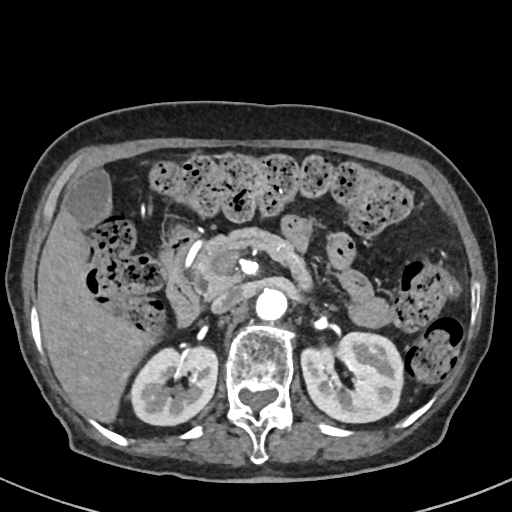 CT, abdomen/pelvis · axial view · scan has 15 labeled organs (a whole-scan count: organs this slice does not pass through have no box)
Box edges are left/top/right/bottom in pixels.
inferior vena cava: left=210, top=285, right=243, bottom=314
pancreas: left=189, top=227, right=315, bottom=295
right kidney: left=132, top=345, right=218, bottom=425
duodenum: left=161, top=232, right=199, bottom=325
liver: left=37, top=205, right=154, bottom=424
left kidney: left=300, top=333, right=402, bottom=423
stomach: left=167, top=224, right=189, bottom=235
gall bladder: left=64, top=169, right=112, bottom=228
aorta: left=255, top=290, right=286, bottom=322